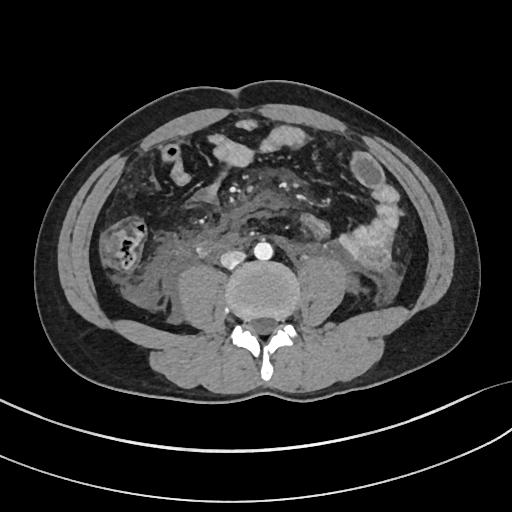 Abdominal CT; axial view; soft-tissue window; 512x512 px; 15 organs annotated in this scan (a whole-scan count: organs this slice does not pass through have no box)
Each box given as x1,y1,x2,y2.
aorta: x1=254, y1=241, x2=273, y2=260
inferior vena cava: x1=220, y1=250, x2=245, y2=267